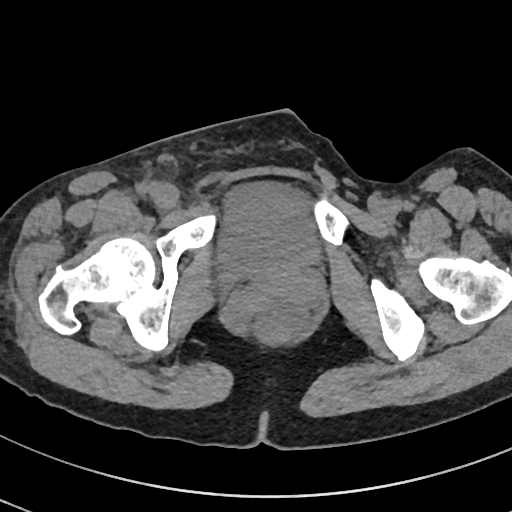
CT abdomen; axial plane, index 15; soft-tissue window (W 400 / L 40); 512x512 px; 15 organs annotated in this scan (a whole-scan count: organs this slice does not pass through have no box)
<organs><organ name="bladder" x1="219" y1="183" x2="321" y2="279"/></organs>